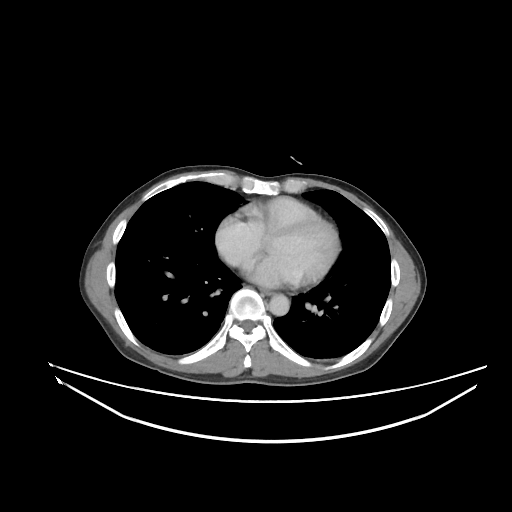

Abdominal CT; this slice is in the lower chest, just above the liver. axial view. soft-tissue window. 15 organs annotated in this scan (counted over the whole 3D scan, not this slice; an organ is boxed only where this slice passes through it)
Of the structures in the chest, this dataset labels only the esophagus, the aorta and the inferior vena cava; the heart and lungs have no label.
{"organs":{"esophagus":[263,290,272,295],"aorta":[269,294,289,316]}}